Chest-level CT slice, above the liver and spleen; axial plane, index 120; soft-tissue window (W 400 / L 40)
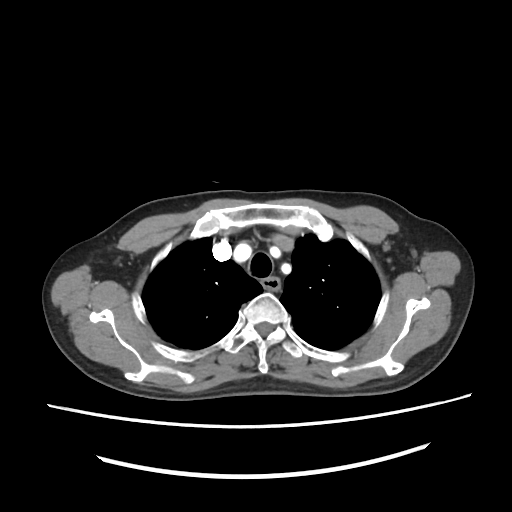
On a slice this high in the chest, this dataset labels only the esophagus and the aorta, and each is boxed only where it is labeled; the heart, lungs and other chest structures are not labeled. Boxes: x1 y1 x2 y2 (pixel coords, space-separated). 1 labeled organ on this slice — esophagus at 260 277 279 291.